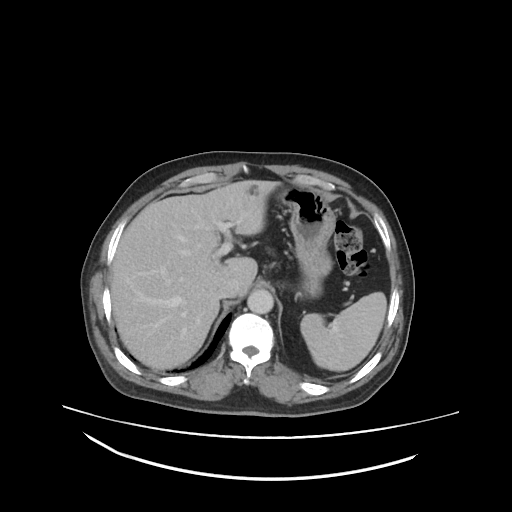
Computed tomography, abdomen · Axial slice 72/116 · W/L 400/40 HU · scan has 15 labeled organs (that count is for the whole scan; organs this slice misses have no box)
Coordinates as <box>x1,y1,x2,y2</box> in pixels.
Organ bounding boxes:
- aorta: <box>247,289,275,313</box>
- liver: <box>111,179,286,368</box>
- stomach: <box>276,186,335,299</box>
- inferior vena cava: <box>215,277,240,297</box>
- spleen: <box>299,292,387,372</box>